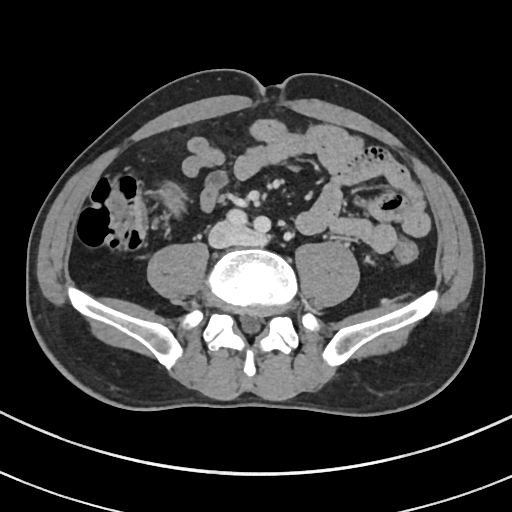

Computed tomography, abdomen · Axial slice 84/298 · abdomen soft-tissue window
Bounding boxes in pixels, one row per box: x1, y1 is the top-left corner and x2, y2 the bottom-right.
| organ | x1 | y1 | x2 | y2 |
|---|---|---|---|---|
| inferior vena cava | 210 | 222 | 255 | 247 |